Abdominal CT reaching into the chest; this slice is in the chest; axial view; soft-tissue window; 512x512 px; scan has 15 labeled organs (that count is for the whole scan; organs this slice misses have no box)
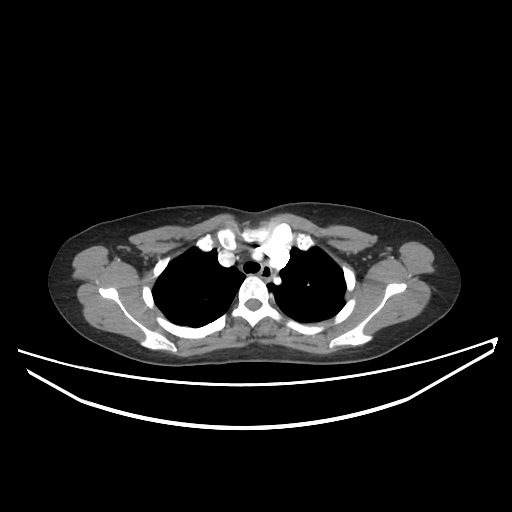 At this level of the chest this dataset labels only the esophagus and the aorta, and each is boxed only where it is labeled; the heart and lungs are never labeled.
Boxes: x1 y1 x2 y2 (pixel coords, space-separated).
Organ bounding boxes:
- esophagus: 261 267 273 280